Computed tomography, abdomen; axial view
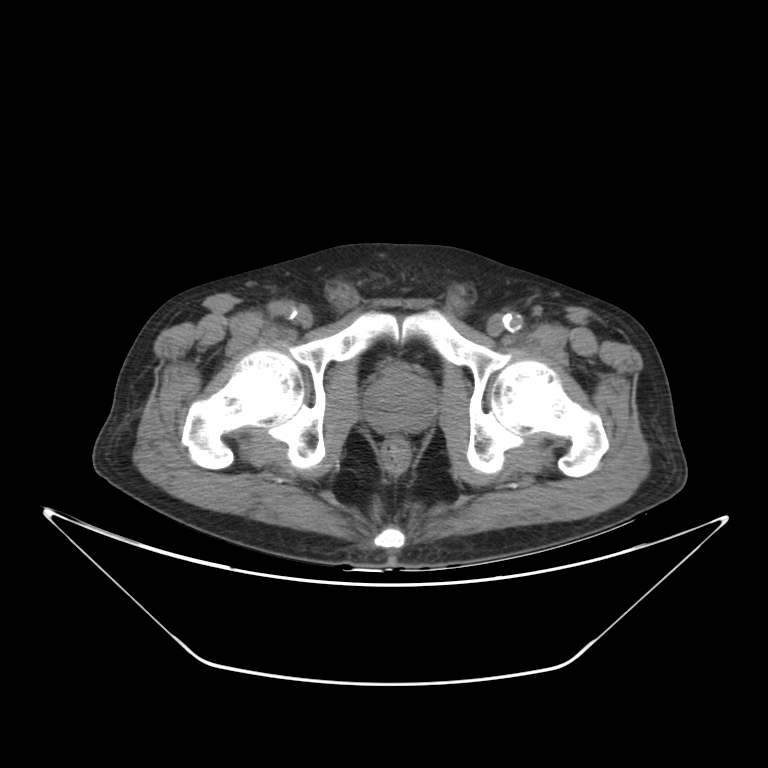
{"organs":{"prostate/uterus":[365,365,434,431]}}